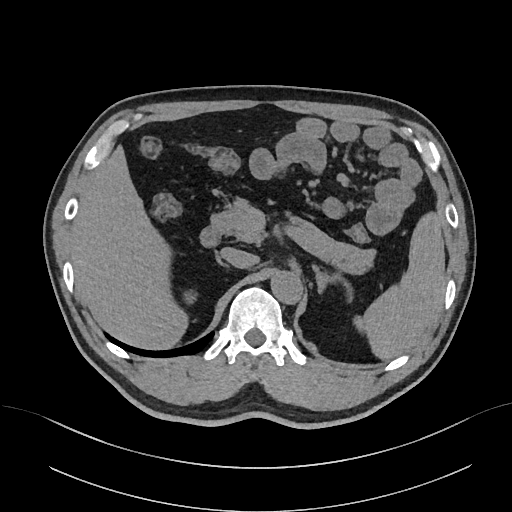
Computed tomography, abdomen · axial view · soft-tissue window
{"organs":{"spleen":[355,210,444,359],"right kidney":[185,293,195,303],"liver":[69,144,190,349],"aorta":[271,273,303,305],"inferior vena cava":[220,248,257,269],"pancreas":[212,197,372,274],"right adrenal gland":[215,256,230,270],"left adrenal gland":[312,265,353,299],"duodenum":[201,221,223,247]}}